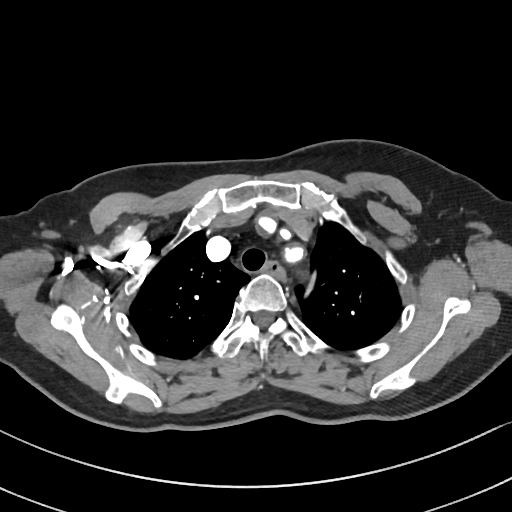 Chest-level CT slice, above the liver and spleen. axial view
At this level of the chest no structure but the esophagus and the aorta has a label in this dataset, and those two are boxed only where they are labeled. Each box given as x1,y1,x2,y2. 1 labeled organ on this slice — esophagus at x1=259, y1=261, x2=286, y2=282.